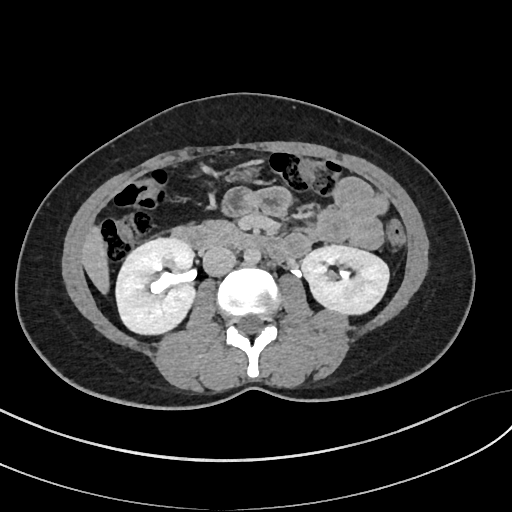
Computed tomography, abdomen — axial view — abdomen soft-tissue window — 15 organs annotated in this scan (that count is for the whole scan; organs this slice misses have no box)
Each box given as x1,y1,x2,y2. The annotated organs in this slice are: pancreas at x1=199, y1=220, x2=237, y2=244, liver at x1=81, y1=226, x2=109, y2=293, right kidney at x1=116, y1=238, x2=195, y2=334, inferior vena cava at x1=202, y1=246, x2=235, y2=275, left kidney at x1=302, y1=245, x2=389, y2=314, duodenum at x1=172, y1=226, x2=286, y2=260, stomach at x1=225, y1=168, x2=253, y2=180, aorta at x1=244, y1=248, x2=260, y2=264.